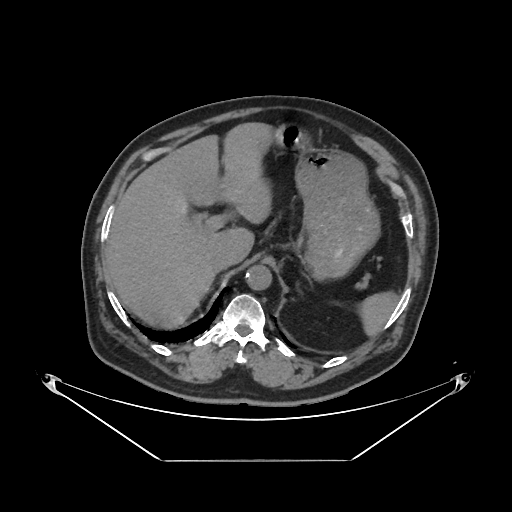 Computed tomography, abdomen; axial view; 512x512 px; SOMATOM Force scanner
Boxes are (x1, y1, x2, y2) in pixels.
spleen: (360, 292, 396, 335)
aorta: (245, 265, 271, 290)
stomach: (272, 121, 379, 280)
liver: (106, 123, 269, 328)
inferior vena cava: (210, 250, 235, 271)
left adrenal gland: (296, 281, 303, 294)